CT abdomen; axial view; soft-tissue window (W 400 / L 40); 512x512 px
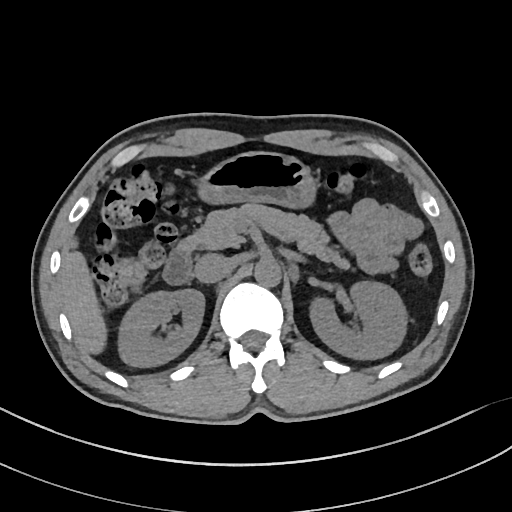

Bounding boxes in pixels, one row per box: x1, y1 is the top-left corner and x2, y2 the bottom-right.
| organ | x1 | y1 | x2 | y2 |
|---|---|---|---|---|
| right kidney | 118 | 289 | 204 | 366 |
| left kidney | 310 | 281 | 406 | 359 |
| liver | 60 | 245 | 106 | 354 |
| stomach | 196 | 151 | 317 | 208 |
| aorta | 254 | 258 | 281 | 287 |
| inferior vena cava | 194 | 253 | 233 | 283 |
| pancreas | 180 | 203 | 349 | 268 |
| duodenum | 162 | 245 | 191 | 285 |